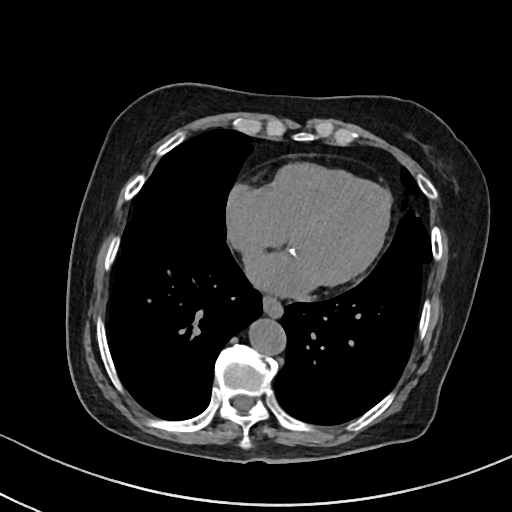 Abdominal CT; this slice is in the lower chest, just above the liver. axial view. 512x512 px
The heart and lungs are never labeled in this dataset, so they have no box on this slice.
<organs><organ name="esophagus" x1="262" y1="295" x2="282" y2="317"/><organ name="aorta" x1="249" y1="318" x2="285" y2="354"/></organs>